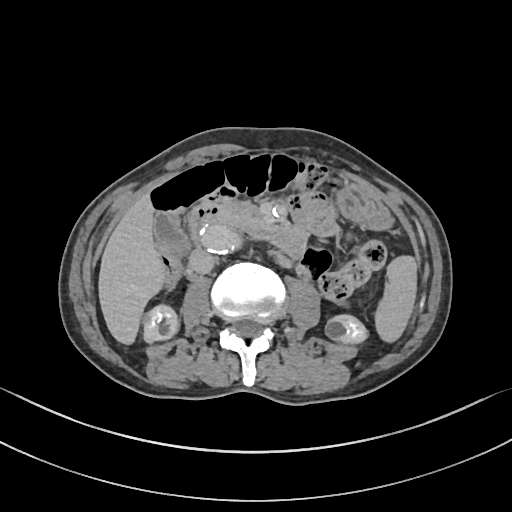

Abdominal CT; axial view; soft-tissue window (W 400 / L 40)
Bounding boxes as [x1, y1, x2, y2] in pixel coordinates.
duodenum: [190, 205, 306, 258]
pancreas: [216, 203, 269, 229]
spleen: [375, 255, 417, 342]
gall bladder: [151, 214, 188, 257]
left kidney: [325, 314, 367, 343]
right kidney: [143, 304, 178, 342]
liver: [98, 194, 165, 344]
stomach: [338, 185, 392, 229]
aorta: [203, 222, 240, 253]
inferior vena cava: [189, 249, 214, 273]